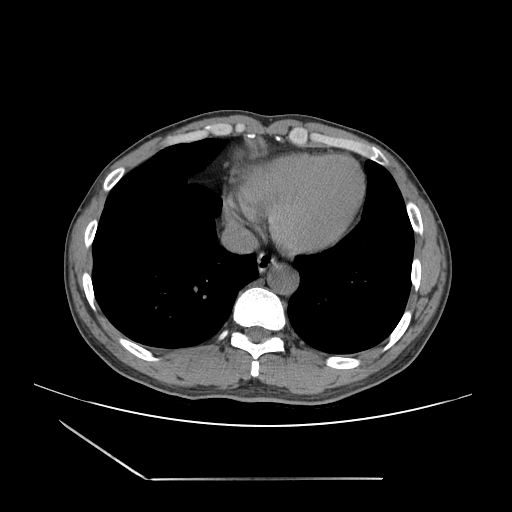

CT of the abdomen reaching into the lower chest, slice just above the liver and spleen — axial plane, index 169
The heart and lungs are never labeled in this dataset, so they have no box on this slice.
<organs><organ name="esophagus" x1="257" y1="253" x2="279" y2="272"/><organ name="aorta" x1="267" y1="265" x2="298" y2="294"/><organ name="inferior vena cava" x1="220" y1="223" x2="258" y2="253"/></organs>